Abdominal CT; Axial slice 75/126; Aquilion ONE scanner
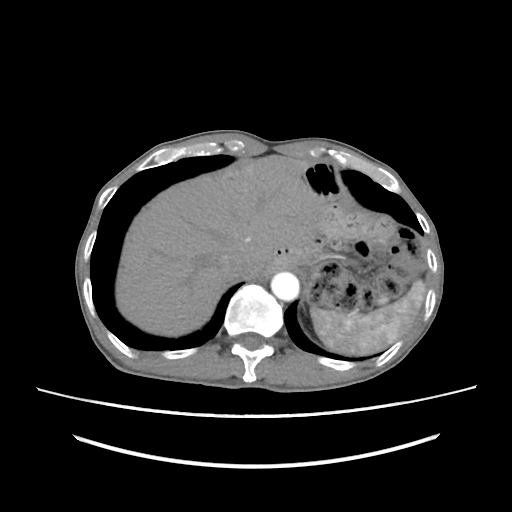
Boxes: x1 y1 x2 y2 (pixel coords, space-separated). Labeled organs on this slice: spleen at 310 280 426 354, liver at 116 155 328 336, aorta at 271 272 299 301, inferior vena cava at 220 254 248 278.